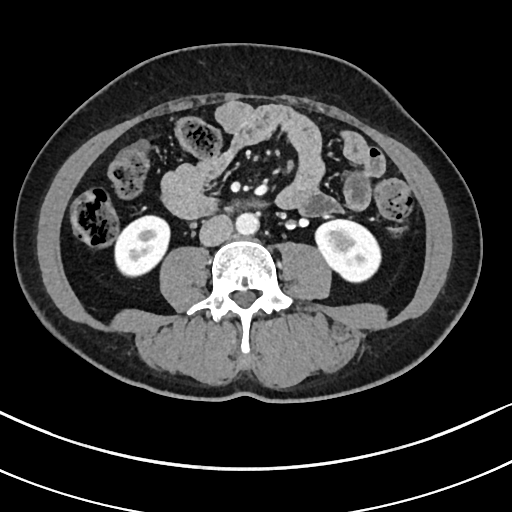 CT abdomen. axial view. 512x512 px. scan has 15 labeled organs (that count is for the whole scan; organs this slice misses have no box)
Organ boxes in pixel coordinates; each row gives the top-left (x1, y1) and bottom-right (x2, y2) corners.
| organ | x1 | y1 | x2 | y2 |
|---|---|---|---|---|
| aorta | 236 | 213 | 259 | 235 |
| right kidney | 115 | 216 | 169 | 276 |
| inferior vena cava | 199 | 214 | 232 | 245 |
| left kidney | 315 | 220 | 380 | 281 |
| duodenum | 221 | 202 | 268 | 211 |